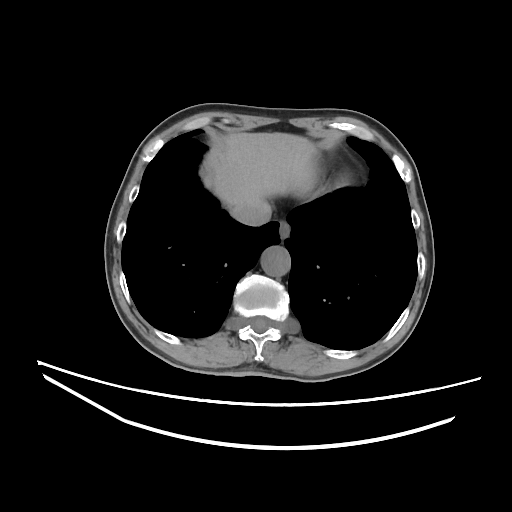
CT, abdomen/pelvis. axial view. W/L 400/40 HU. 512x512 px
<organs><organ name="esophagus" x1="279" y1="221" x2="290" y2="238"/><organ name="liver" x1="206" y1="132" x2="317" y2="211"/><organ name="aorta" x1="261" y1="246" x2="290" y2="276"/><organ name="inferior vena cava" x1="233" y1="202" x2="270" y2="225"/></organs>